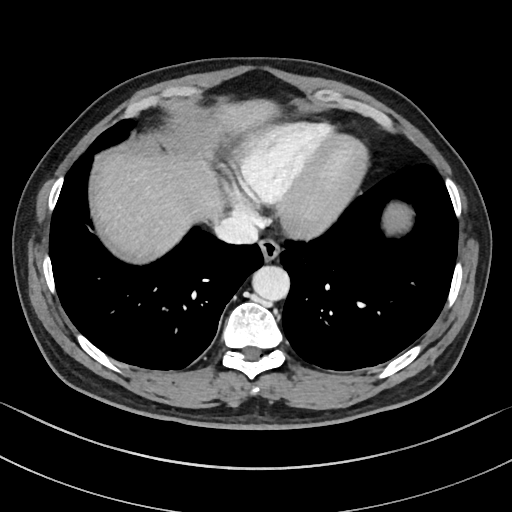
CT, abdomen/pelvis — axial plane, index 207 — soft-tissue window (W 400 / L 40) — 512x512 px
{"organs":{"esophagus":[258,239,280,262],"liver":[93,101,276,258],"aorta":[253,266,290,301],"inferior vena cava":[216,214,258,244]}}